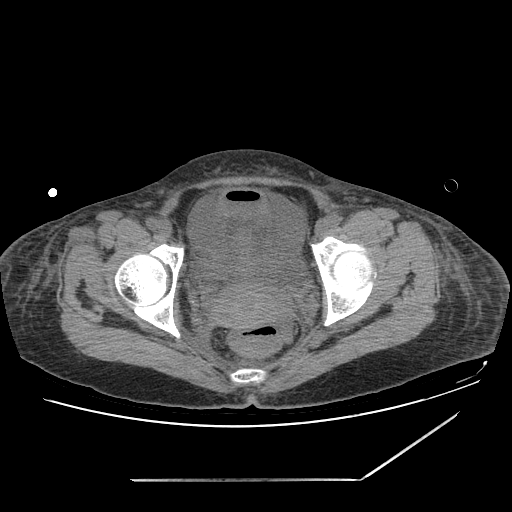
CT, abdomen/pelvis; axial view
One row per box, in pixels: columns x1 and y1 give the top-left corner, x2 and y2 the bottom-right.
| organ | x1 | y1 | x2 | y2 |
|---|---|---|---|---|
| bladder | 198 | 185 | 289 | 280 |
| prostate/uterus | 211 | 225 | 289 | 327 |